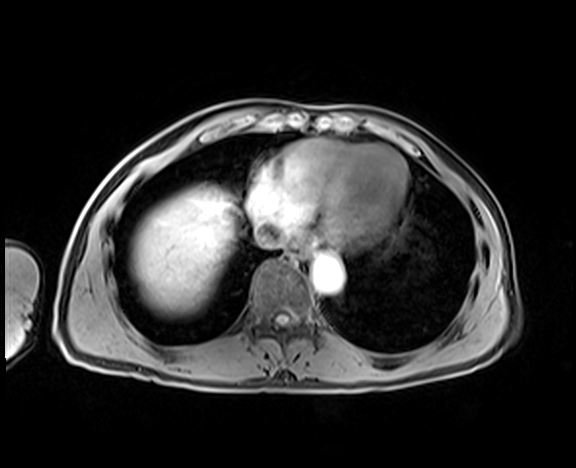
Abdominal MRI · Axial slice 60/72
Boxes: x1 y1 x2 y2 (pixel coords, space-separated).
Organ bounding boxes:
- liver: 131 184 237 313
- esophagus: 284 245 308 261
- aorta: 312 256 343 293
- inferior vena cava: 255 223 284 248